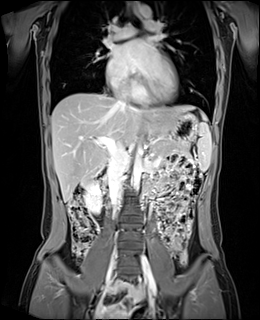 Abdominal MRI. coronal acquisition. 1st–99th percentile window
Boxes: x1 y1 x2 y2 (pixel coords, space-separated). 10 labeled organs on this slice — pancreas at 153 141 190 154; right kidney at 84 181 101 213; aorta at 133 145 142 190; aorta at 139 4 151 17; esophagus at 133 3 139 13; gall bladder at 81 176 91 187; stomach at 173 112 198 143; duodenum at 97 169 106 203; liver at 51 92 196 202; spleen at 197 111 211 171; inferior vena cava at 107 136 128 211; inferior vena cava at 113 84 128 107.